Abdominal CT — axial view — abdomen soft-tissue window — 15 organs annotated in this scan (counted over the whole 3D scan, not this slice; an organ is boxed only where this slice passes through it)
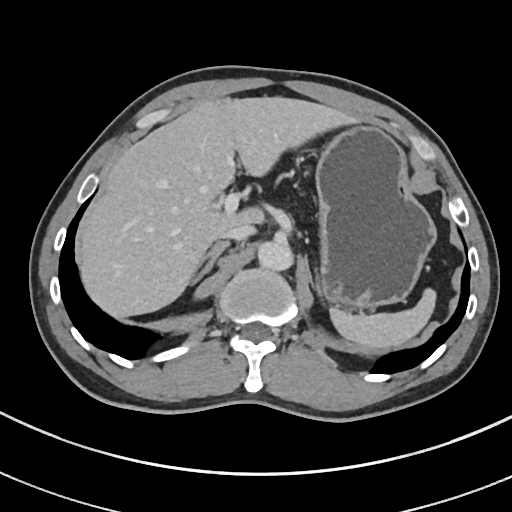 Bounding boxes in pixels, one row per box: x1, y1 is the top-left corner and x2, y2 the bottom-right.
| organ | x1 | y1 | x2 | y2 |
|---|---|---|---|---|
| aorta | 257 | 240 | 291 | 270 |
| stomach | 314 | 123 | 436 | 308 |
| inferior vena cava | 220 | 223 | 254 | 240 |
| spleen | 331 | 287 | 437 | 349 |
| left adrenal gland | 314 | 276 | 323 | 298 |
| right adrenal gland | 187 | 241 | 228 | 285 |
| liver | 82 | 95 | 356 | 317 |